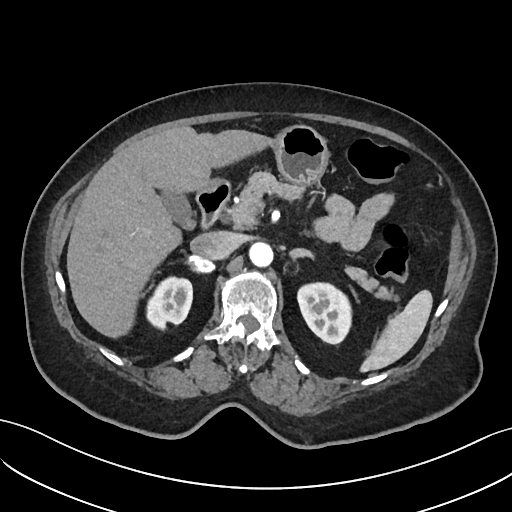 CT, abdomen/pelvis; Axial slice 138/276
{"organs":{"spleen":[359,291,431,371],"right kidney":[145,276,192,328],"left kidney":[297,281,352,343],"gall bladder":[158,187,193,228],"liver":[67,126,269,336],"stomach":[268,124,328,185],"aorta":[248,241,273,265],"inferior vena cava":[190,230,237,259],"pancreas":[226,171,386,297],"right adrenal gland":[186,256,213,272],"left adrenal gland":[290,248,314,258],"duodenum":[196,180,231,229]}}